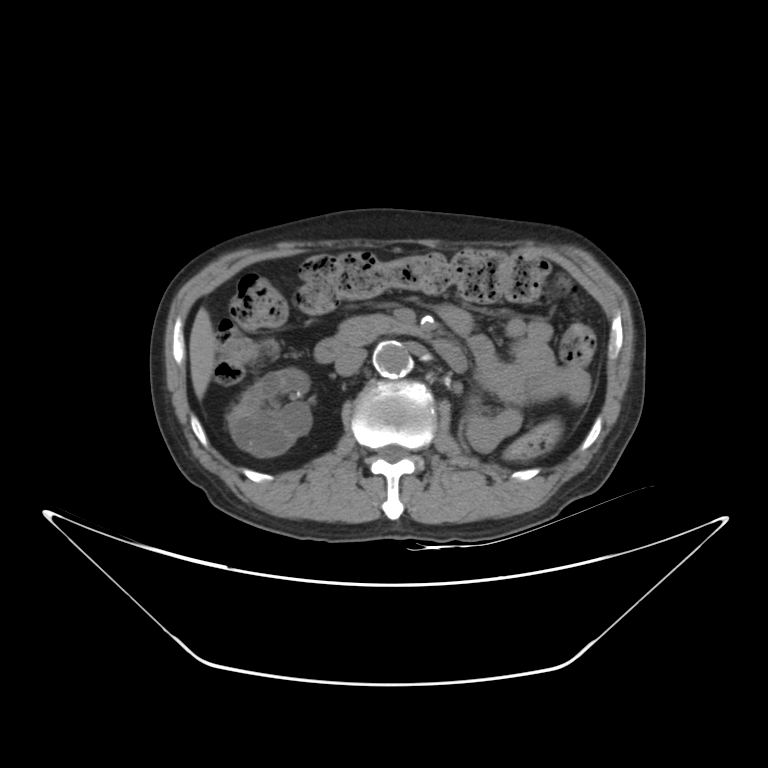

Abdominal CT — axial view
{"organs":{"right kidney":[228,368,312,457],"liver":[189,307,216,399],"aorta":[374,342,412,377],"inferior vena cava":[334,347,366,376],"pancreas":[337,314,418,345],"duodenum":[314,333,467,372]}}